Abdominal CT · axial plane, index 57 · W/L 400/40 HU · acquired on SOMATOM Force
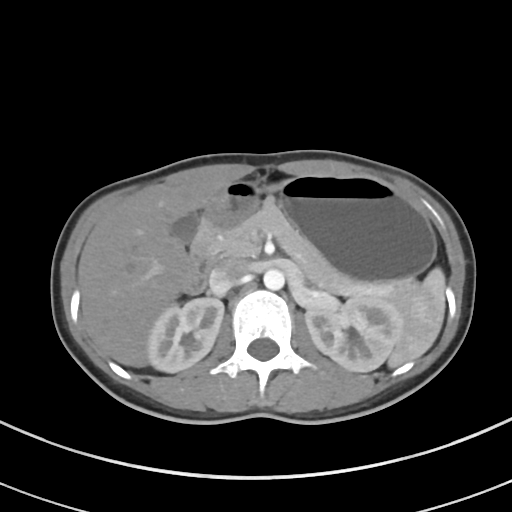
{"organs":{"spleen":[388,267,445,368],"right kidney":[147,298,224,372],"left kidney":[305,295,405,372],"gall bladder":[170,212,200,244],"liver":[77,179,285,367],"stomach":[205,174,435,282],"aorta":[263,269,284,290],"inferior vena cava":[208,258,249,293],"pancreas":[214,198,417,309],"duodenum":[184,211,231,295]}}